CT, abdomen/pelvis; axial view
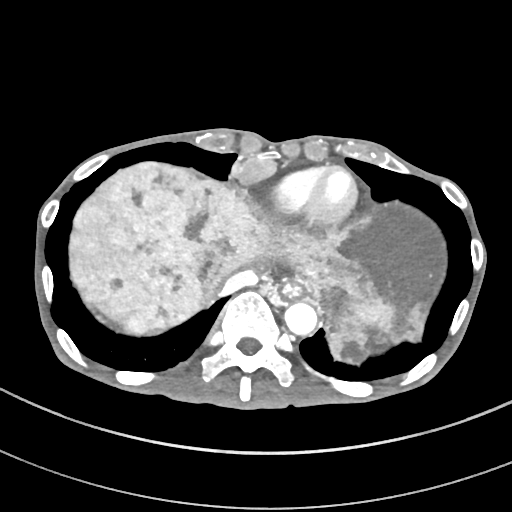
Bounding boxes as [x1, y1, x2, y2] in pixel coordinates.
inferior vena cava: [219, 269, 258, 297]
aorta: [283, 302, 317, 336]
esophagus: [281, 282, 304, 298]
liver: [70, 160, 445, 363]
spleen: [356, 297, 393, 327]